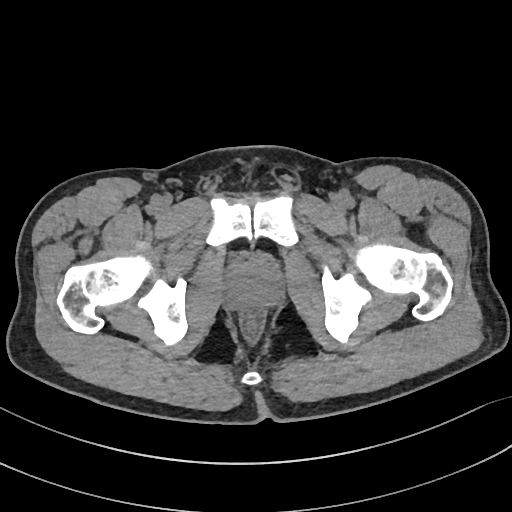

Abdominal CT; axial view; soft-tissue window; acquired on SOMATOM Force
Boxes are (x1, y1, x2, y2) in pixels.
Organ bounding boxes:
- prostate/uterus: (229, 260, 280, 304)